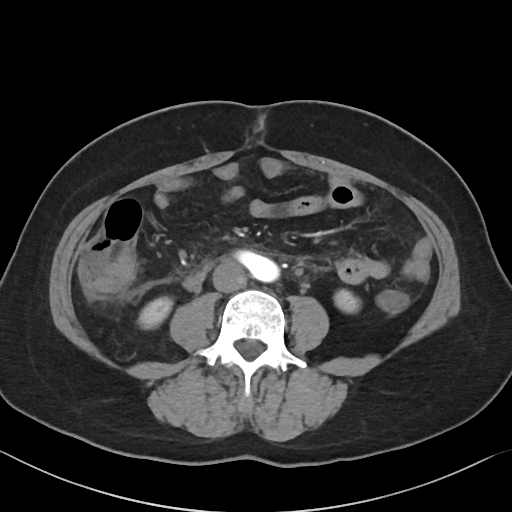 CT abdomen · Axial slice 40/88 · 512x512 px · acquired on SOMATOM Force
<organs><organ name="aorta" x1="245" y1="255" x2="279" y2="281"/><organ name="left kidney" x1="334" y1="290" x2="360" y2="312"/><organ name="right kidney" x1="138" y1="297" x2="172" y2="329"/><organ name="inferior vena cava" x1="212" y1="261" x2="246" y2="292"/></organs>